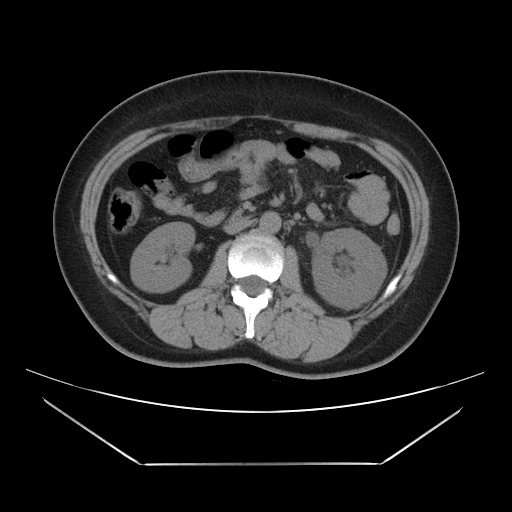 CT, abdomen/pelvis. axial plane, index 56. soft-tissue window. 15 organs annotated in this scan (that count is for the whole scan; organs this slice misses have no box)
{"organs":{"aorta":[259,212,281,233],"left kidney":[312,228,387,309],"inferior vena cava":[224,218,253,234],"right kidney":[130,222,194,292]}}